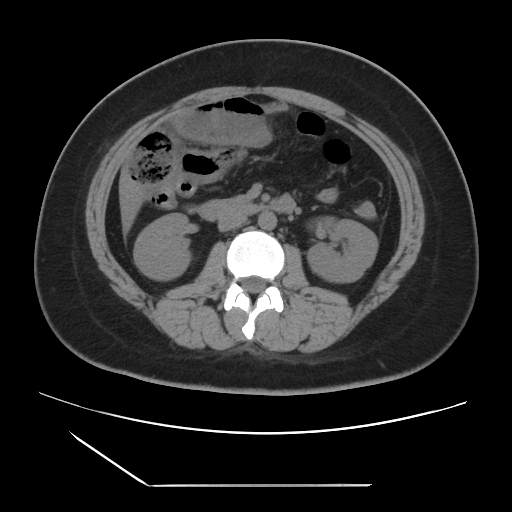
CT, abdomen/pelvis. axial view. 512x512 px. acquired on SOMATOM Force
Boxes are (x1, y1, x2, y2) in pixels. Labeled organs on this slice: right kidney at (133, 213, 190, 280), left kidney at (307, 217, 378, 282), liver at (120, 179, 143, 232), aorta at (258, 211, 276, 230), inferior vena cava at (218, 214, 246, 231), duodenum at (198, 195, 295, 220).